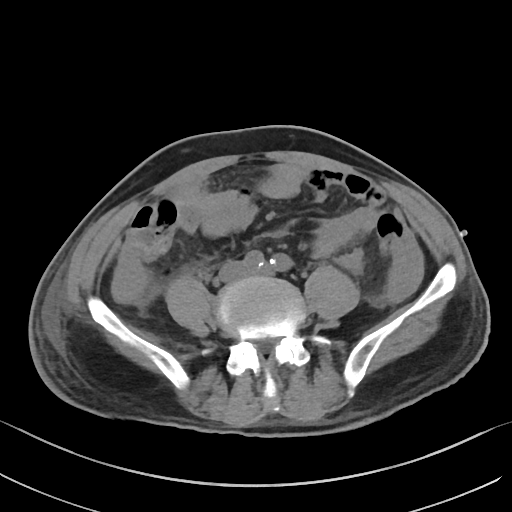 CT, abdomen/pelvis · axial view
Boxes are (x1, y1, x2, y2) in pixels.
inferior vena cava: (220, 262, 243, 279)